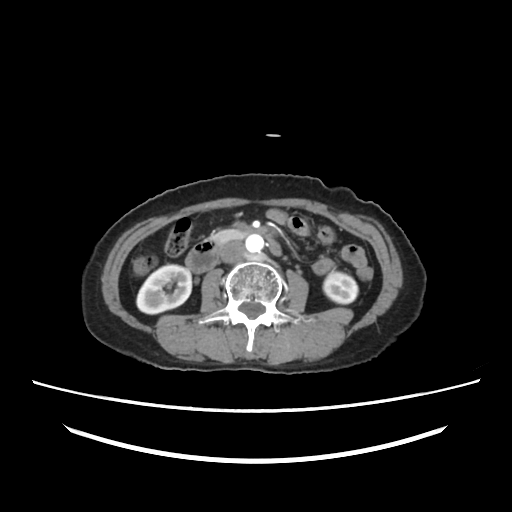
CT abdomen. Axial slice 55/96. W/L 400/40 HU. 512x512 px. acquired on Aquilion ONE
<organs><organ name="right kidney" x1="136" y1="264" x2="191" y2="314"/><organ name="left kidney" x1="323" y1="272" x2="357" y2="303"/><organ name="aorta" x1="245" y1="234" x2="263" y2="252"/><organ name="inferior vena cava" x1="220" y1="241" x2="245" y2="263"/><organ name="pancreas" x1="213" y1="230" x2="243" y2="242"/><organ name="duodenum" x1="185" y1="238" x2="281" y2="272"/></organs>